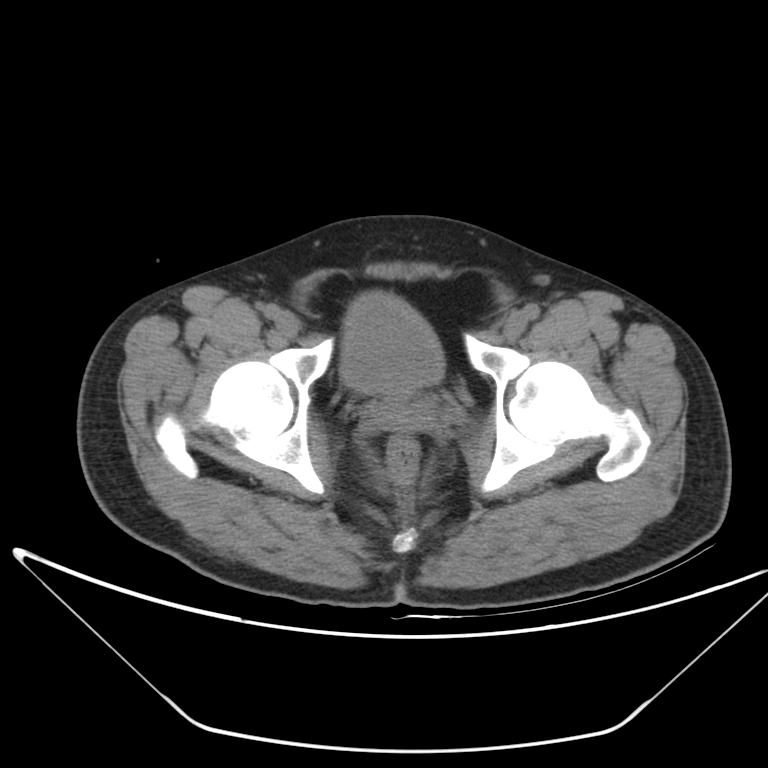
Abdominal CT — Axial slice 15/84 — abdomen soft-tissue window — 768x768 px — 42-year-old male patient
Each box given as x1,y1,x2,y2.
bladder: x1=340, y1=292, x2=444, y2=393
prostate/uterus: x1=383, y1=394, x2=414, y2=425